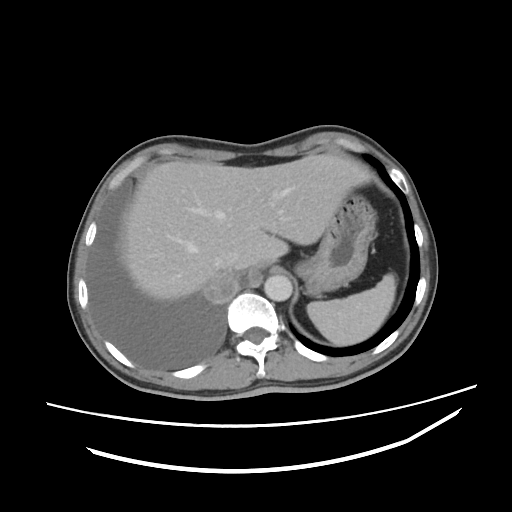 Computed tomography, abdomen · axial view · abdomen soft-tissue window · 512x512 px · 49-year-old male patient
Coordinates as <box>x1,y1,x2,y2</box> in pixels.
Organ bounding boxes:
- spleen: <box>307,273,395,345</box>
- liver: <box>123,153,371,300</box>
- stomach: <box>295,192,375,296</box>
- aorta: <box>264,275,292,301</box>
- inferior vena cava: <box>211,251,240,269</box>